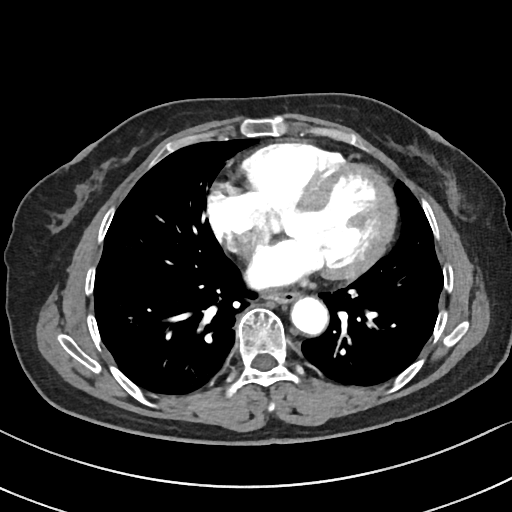 Abdominal CT; this slice is in the lower chest, just above the liver · Axial slice 215/294 · W/L 400/40 HU
No part of the heart or lungs is labeled in this dataset, so neither has a box here. Coordinates as <box>x1,y1,x2,y2</box> in pixels. The annotated organs in this slice are: esophagus at <box>266,293,300,305</box>, aorta at <box>292,298,328,336</box>.